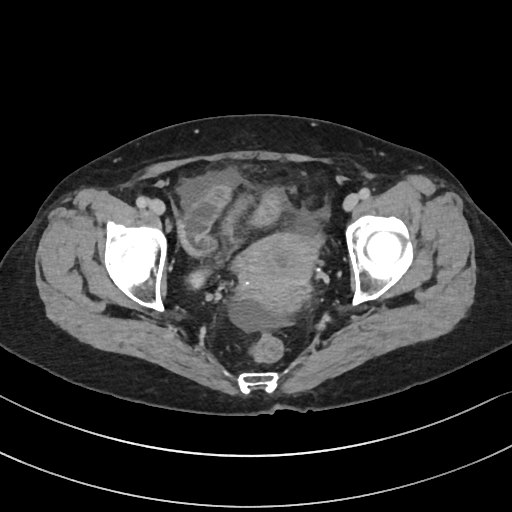

Computed tomography, abdomen · axial view · 512x512 px
Box edges are left/top/right/bottom in pixels.
bladder: left=189, top=197, right=250, bottom=289
prostate/uterus: left=240, top=232, right=317, bottom=305